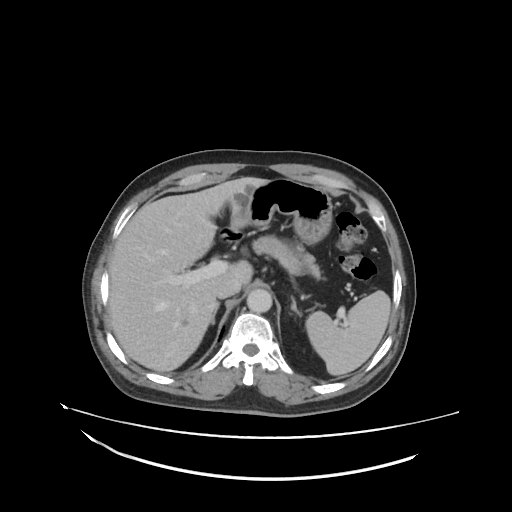

Abdominal CT — axial view — 66-year-old male patient — 15 organs annotated in this scan (counted over the whole 3D scan, not this slice; an organ is boxed only where this slice passes through it)
Boxes are (x1, y1, x2, y2) in pixels. The annotated organs in this slice are: right adrenal gland at (211, 305, 219, 323), pancreas at (254, 236, 321, 277), liver at (109, 178, 267, 370), inferior vena cava at (215, 282, 240, 297), stomach at (228, 178, 332, 243), left adrenal gland at (290, 297, 302, 316), aorta at (247, 289, 273, 312), spleen at (306, 290, 390, 375).